Computed tomography, abdomen; axial view; abdomen soft-tissue window; 512x512 px; scan has 15 labeled organs (that count is for the whole scan; organs this slice misses have no box)
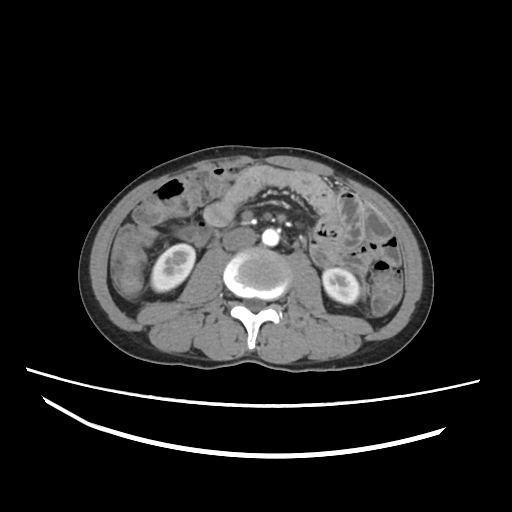

Boxes are (x1, y1, x2, y2) in pixels. Labeled organs on this slice: aorta at (262, 228, 279, 246), left kidney at (323, 268, 359, 303), inferior vena cava at (223, 227, 257, 250), right kidney at (151, 244, 195, 291), liver at (114, 239, 119, 252).